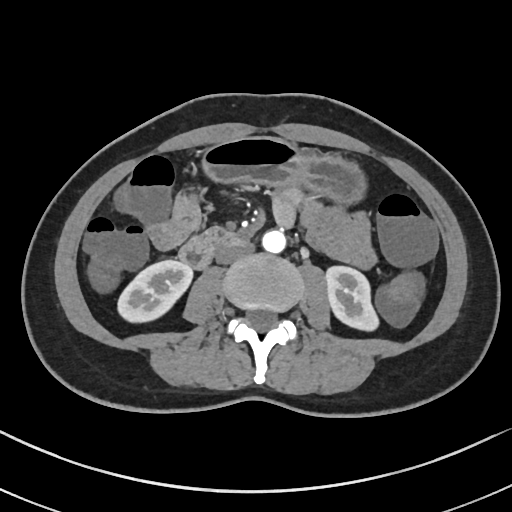 Abdominal CT. axial view. soft-tissue window
{"organs":{"stomach":[201,136,364,200],"left kidney":[327,266,378,331],"aorta":[261,230,285,252],"inferior vena cava":[216,241,254,264],"duodenum":[178,227,243,268],"right kidney":[119,260,191,320]}}